Abdominal CT; this slice is in the lower chest, just above the liver; axial view
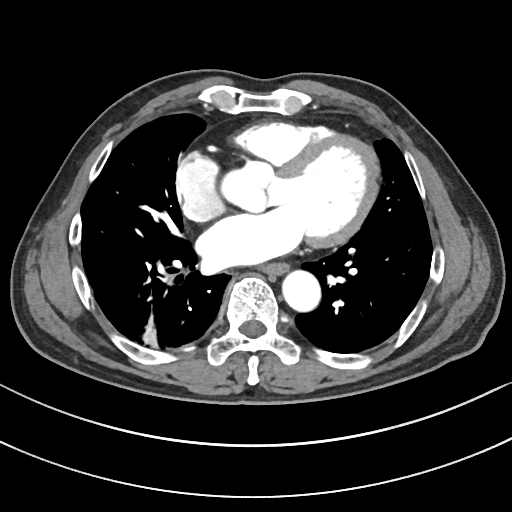

Of the structures in the chest, this dataset labels only the esophagus, the aorta and the inferior vena cava; the heart and lungs have no label.
One row per box, in pixels: columns x1 and y1 give the top-left corner, x2 and y2 the bottom-right.
| organ | x1 | y1 | x2 | y2 |
|---|---|---|---|---|
| esophagus | 264 | 263 | 289 | 275 |
| aorta | 282 | 271 | 320 | 311 |